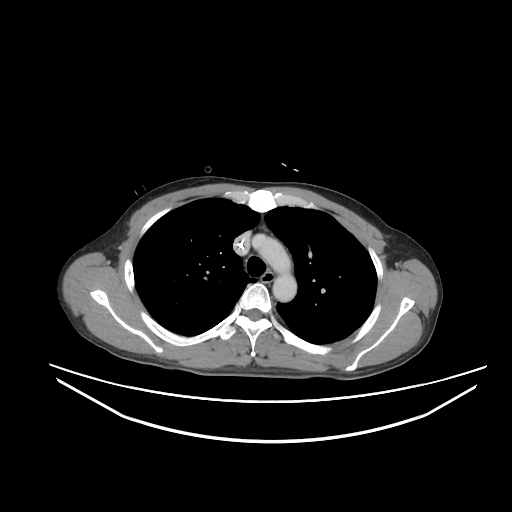

CT of the abdomen extending into the chest, slice through the chest; axial view; Aquilion ONE scanner; scan has 15 labeled organs (a whole-scan count: organs this slice does not pass through have no box)
On a slice this high in the chest, this dataset labels only the esophagus and the aorta, and each is boxed only where it is labeled; the heart, lungs and other chest structures are not labeled. Bounding boxes as [x1, y1, x2, y2] in pixel coordinates. Labeled organs on this slice: esophagus at [261, 272, 275, 282], aorta at [252, 234, 296, 302].